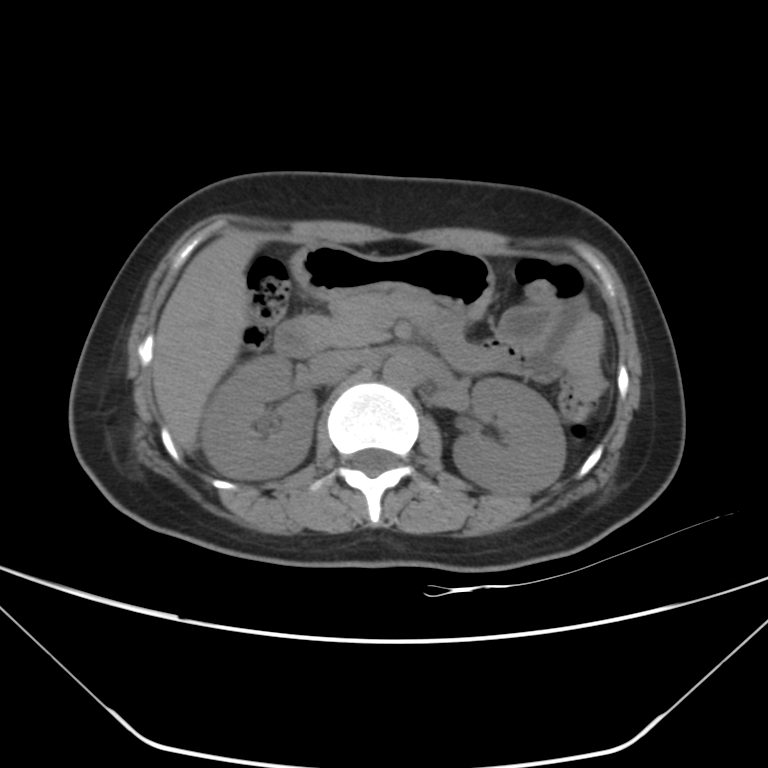

CT, abdomen/pelvis; axial view; abdomen soft-tissue window; 768x768 px; 32-year-old female patient; acquired on Brilliance16
One row per box, in pixels: columns x1 and y1 give the top-left corner, x2 and y2 the bottom-right.
| organ | x1 | y1 | x2 | y2 |
|---|---|---|---|---|
| right kidney | 201 | 355 | 315 | 478 |
| left kidney | 453 | 377 | 566 | 495 |
| liver | 152 | 230 | 265 | 452 |
| stomach | 291 | 242 | 495 | 319 |
| aorta | 382 | 355 | 413 | 385 |
| inferior vena cava | 318 | 350 | 364 | 373 |
| pancreas | 296 | 291 | 437 | 346 |
| duodenum | 274 | 318 | 319 | 358 |